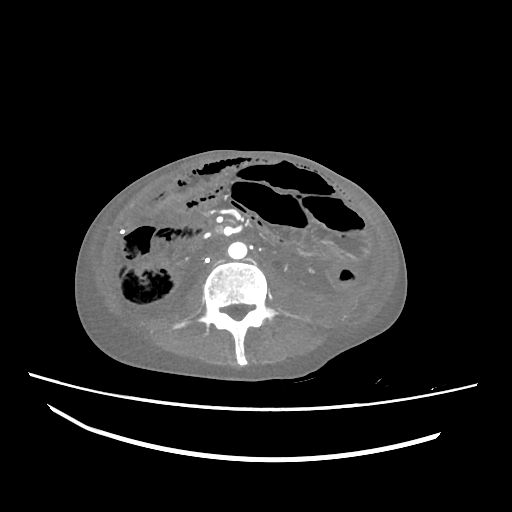 CT abdomen. axial view. 47-year-old male patient. scan has 15 labeled organs (that count is for the whole scan; organs this slice misses have no box)
Bounding boxes as [x1, y1, x2, y2] in pixel coordinates.
aorta: [228, 242, 247, 259]
inferior vena cava: [211, 249, 224, 260]